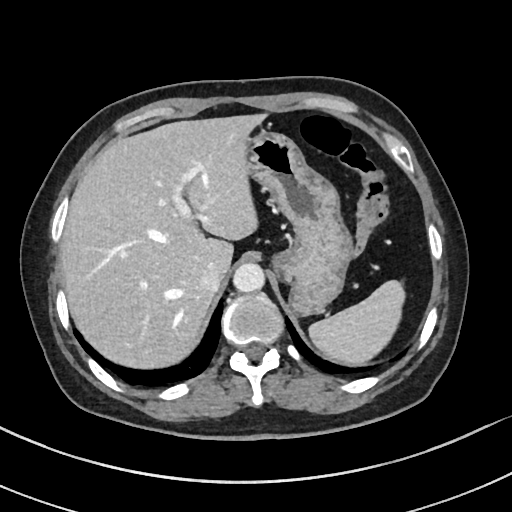

CT, abdomen/pelvis. axial view. abdomen soft-tissue window. 512x512 px
Bounding boxes as [x1, y1, x2, y2] in pixel coordinates.
stomach: [246, 130, 353, 314]
inferior vena cava: [199, 262, 223, 292]
liver: [60, 114, 265, 368]
aorta: [233, 263, 264, 292]
spleen: [308, 280, 405, 365]